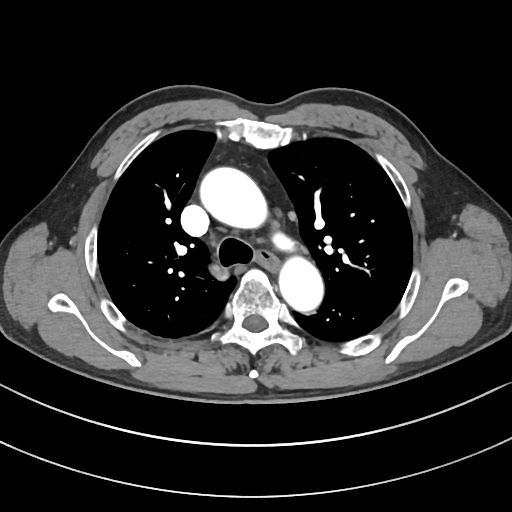
Chest-level CT slice, above the liver and spleen — Axial slice 237/280 — soft-tissue window (W 400 / L 40)
At this level of the chest no structure but the esophagus and the aorta has a label in this dataset, and those two are boxed only where they are labeled.
{"organs":{"esophagus":[259,251,276,267],"aorta":[[199,167,266,228],[279,257,323,312]]}}